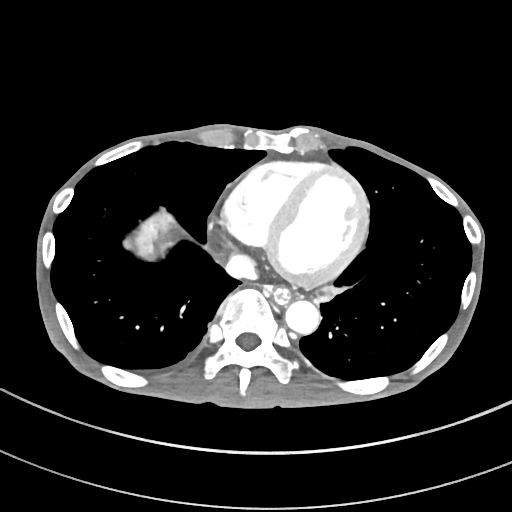
Computed tomography, abdomen; axial view; soft-tissue window (W 400 / L 40)
Coordinates as <box>x1,y1,x2,y2</box> in pixels.
esophagus: <box>274,288,290,304</box>
liver: <box>122,212,345,303</box>
aorta: <box>285,300,319,333</box>
inferior vena cava: <box>225,254,256,279</box>